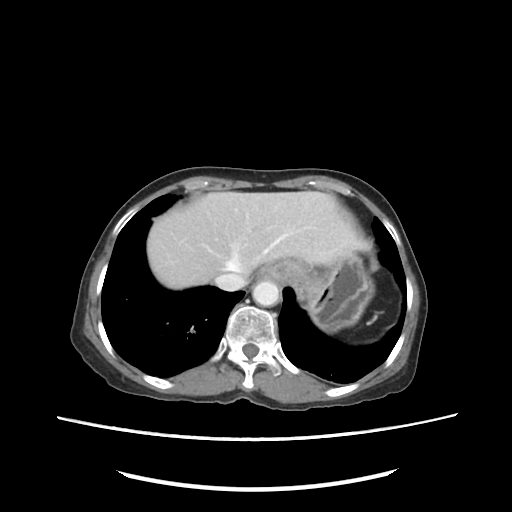 CT, abdomen/pelvis; axial view; 73-year-old female patient
{"organs":{"inferior vena cava":[214,273,246,291],"liver":[147,190,369,289],"aorta":[253,282,279,306],"stomach":[253,257,374,331]}}